Abdominal CT — Axial slice 118/291 — 512x512 px
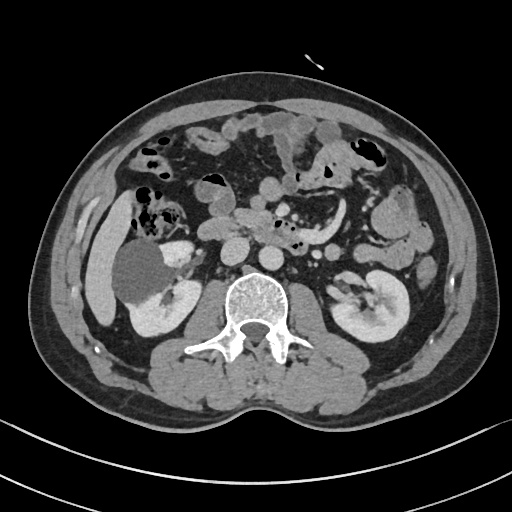 <organs><organ name="left kidney" x1="332" y1="269" x2="410" y2="343"/><organ name="duodenum" x1="198" y1="215" x2="306" y2="253"/><organ name="right kidney" x1="114" y1="238" x2="199" y2="335"/><organ name="inferior vena cava" x1="220" y1="236" x2="249" y2="265"/><organ name="pancreas" x1="233" y1="210" x2="262" y2="226"/><organ name="liver" x1="86" y1="193" x2="129" y2="323"/><organ name="aorta" x1="258" y1="244" x2="282" y2="269"/></organs>